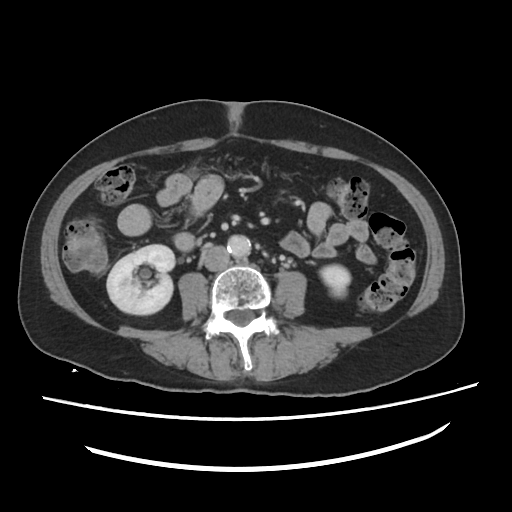
CT, abdomen/pelvis; axial view; abdomen soft-tissue window
Boxes: x1 y1 x2 y2 (pixel coords, space-separated). 4 labeled organs on this slice — aorta at 228 234 252 256; right kidney at 107 244 175 314; inferior vena cava at 203 244 229 270; left kidney at 320 265 350 297.